CT of the abdomen extending into the chest, slice through the chest · axial view · soft-tissue window, W/L 400/40 · 512x512 px
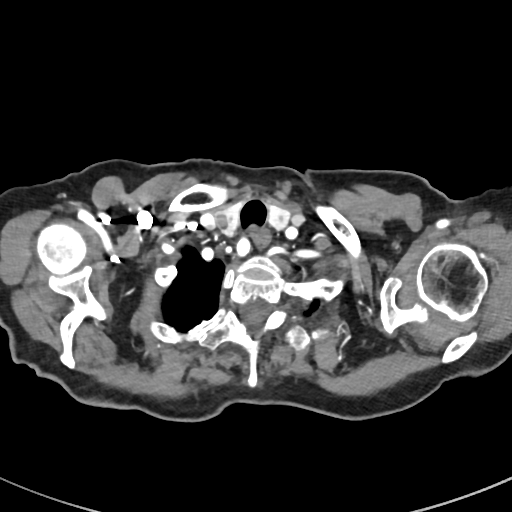

On a slice this high in the chest, this dataset labels only the esophagus and the aorta, and each is boxed only where it is labeled; the heart, lungs and other chest structures are not labeled.
One row per box, in pixels: columns x1 and y1 give the top-left corner, x2 and y2 the bottom-right.
| organ | x1 | y1 | x2 | y2 |
|---|---|---|---|---|
| esophagus | 253 | 233 | 269 | 246 |